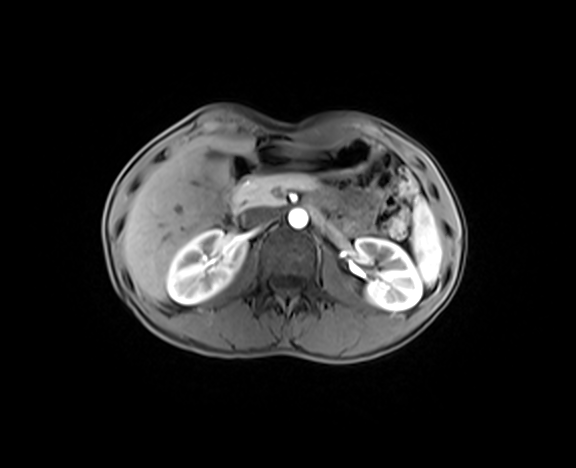 Abdominal MRI. axial plane, index 33. percentile-normalized. 576x468 px. scan has 13 labeled organs (a whole-scan count: organs this slice does not pass through have no box)
Each box given as x1,y1,x2,y2.
Organ bounding boxes:
- spleen: x1=411, y1=198, x2=441, y2=284
- right kidney: x1=166, y1=230, x2=246, y2=304
- left kidney: x1=353, y1=238, x2=421, y2=310
- gall bladder: x1=206, y1=150, x2=228, y2=186
- liver: x1=122, y1=136, x2=252, y2=300
- stomach: x1=250, y1=137, x2=373, y2=174
- aorta: x1=288, y1=208, x2=307, y2=229
- inferior vena cava: x1=237, y1=207, x2=275, y2=228
- pancreas: x1=232, y1=173, x2=318, y2=208
- duodenum: x1=223, y1=153, x2=257, y2=226